CT, abdomen/pelvis. axial plane, index 165. W/L 400/40 HU. 512x512 px. SOMATOM Force scanner
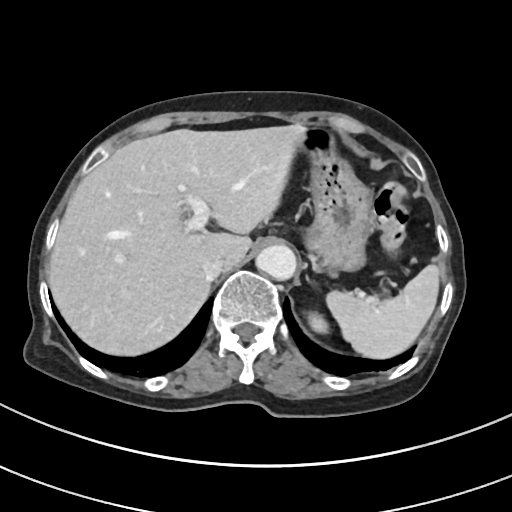
{"organs":{"stomach":[299,128,372,275],"left kidney":[308,312,328,333],"liver":[48,125,304,355],"inferior vena cava":[202,259,226,279],"spleen":[326,265,439,358],"aorta":[256,245,296,280]}}